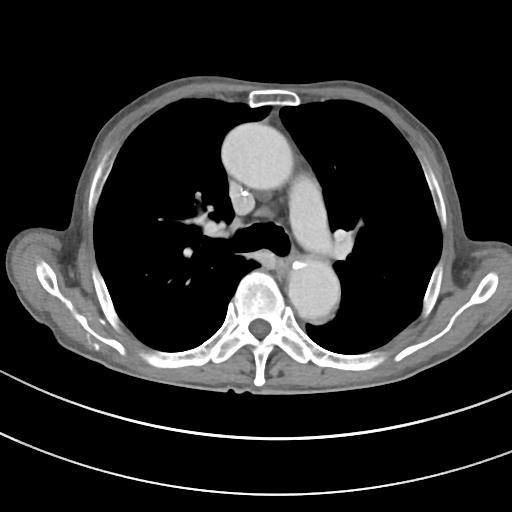
Chest-level slice from an abdominal CT that extends up into the chest · axial plane, index 97 · soft-tissue window
On a slice this high in the chest, this dataset labels only the esophagus and the aorta, and each is boxed only where it is labeled; the heart, lungs and other chest structures are not labeled. Each box given as x1,y1,x2,y2. 2 labeled organs on this slice — aorta at x1=221, y1=122, x2=292, y2=189; aorta at x1=288, y1=259, x2=340, y2=320; esophagus at x1=278, y1=260, x2=289, y2=273.